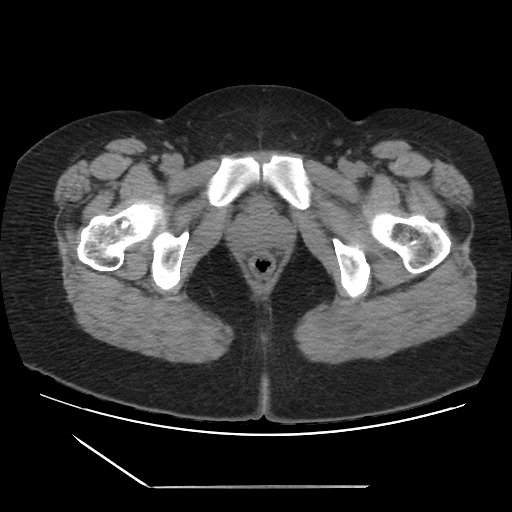

CT, abdomen/pelvis — axial view — W/L 400/40 HU — scan has 15 labeled organs (counted over the whole 3D scan, not this slice; an organ is boxed only where this slice passes through it)
<organs><organ name="bladder" x1="249" y1="198" x2="268" y2="210"/></organs>